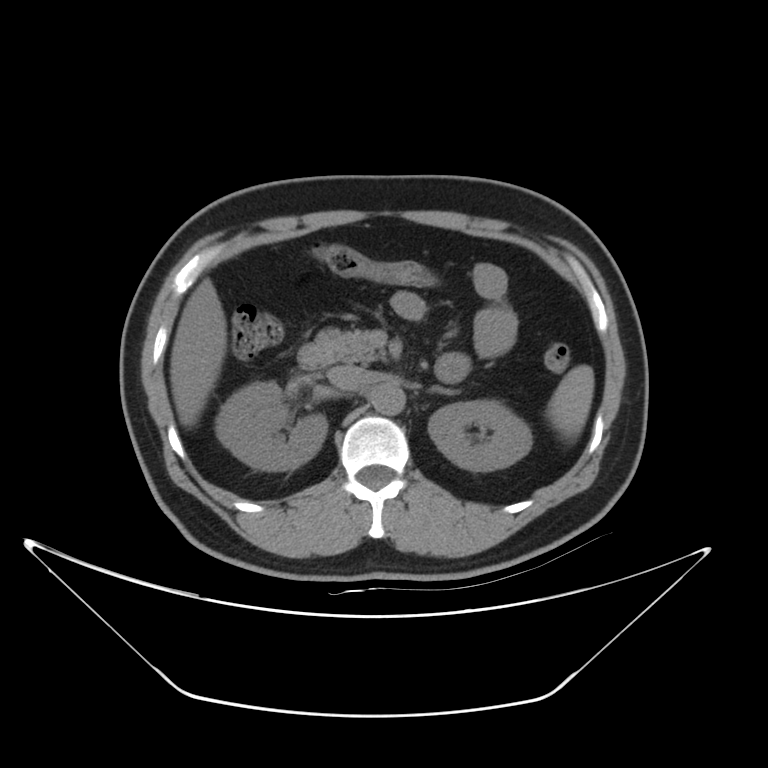

CT abdomen — axial view — 768x768 px
Boxes: x1:y1:x2:y2 in pixels.
Organ bounding boxes:
- spleen: 546:365:594:441
- right kidney: 215:381:326:471
- left kidney: 428:399:531:471
- liver: 170:278:226:426
- aorta: 371:384:405:415
- inferior vena cava: 327:365:369:392
- pancreas: 316:327:383:362
- left adrenal gland: 429:384:453:394
- duodenum: 296:343:469:382